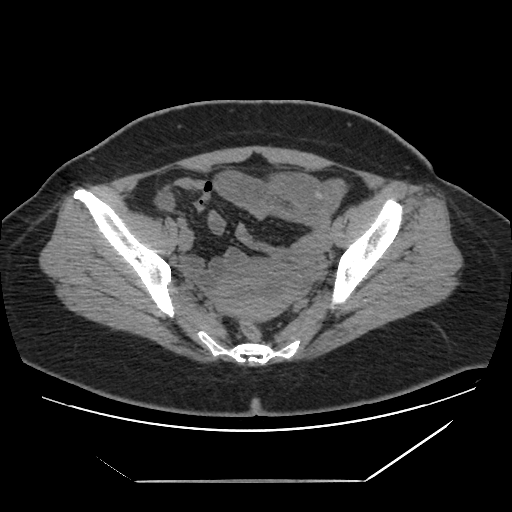 Computed tomography, abdomen · axial view · soft-tissue window (W 400 / L 40)
{"organs":{"prostate/uterus":[212,259,302,321]}}